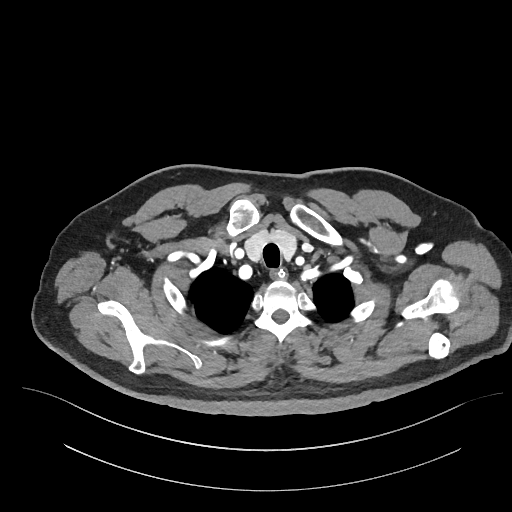

CT of the abdomen extending into the chest, slice through the chest; axial plane, index 314; soft-tissue window; scan has 15 labeled organs (a whole-scan count: organs this slice does not pass through have no box)
On a slice this high in the chest, this dataset labels only the esophagus and the aorta, and each is boxed only where it is labeled; the heart, lungs and other chest structures are not labeled.
<organs><organ name="esophagus" x1="271" y1="268" x2="284" y2="278"/></organs>